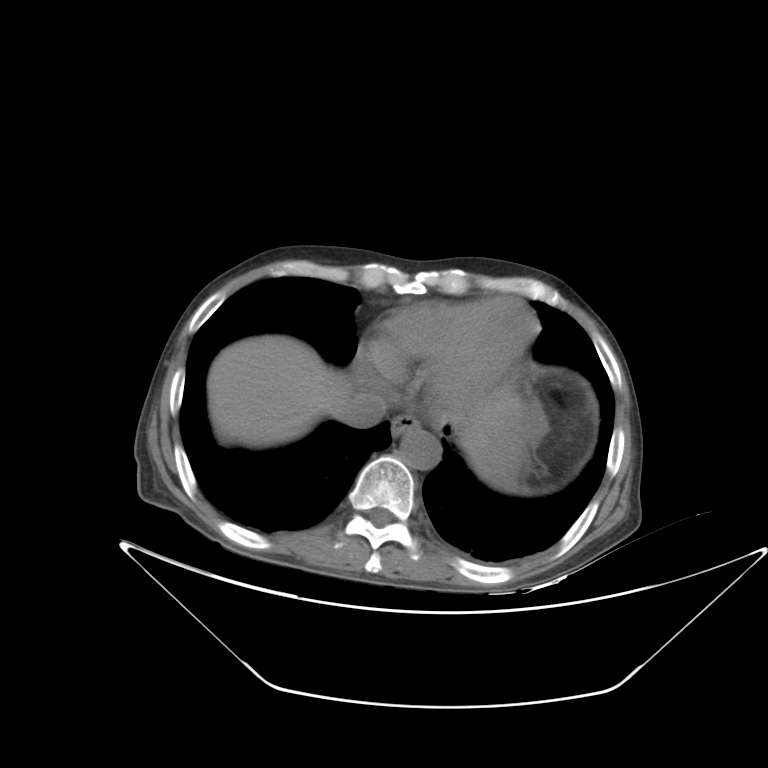 Computed tomography, abdomen · axial view · 768x768 px
Boxes: x1 y1 x2 y2 (pixel coords, space-separated).
esophagus: 391 414 420 437
stomach: 475 404 530 481
liver: 207 335 520 461
aorta: 400 429 441 469
inferior vena cava: 341 392 386 427